Computed tomography, abdomen · Axial slice 200/242 · soft-tissue window (W 400 / L 40) · SOMATOM Force scanner · scan has 15 labeled organs (counted over the whole 3D scan, not this slice; an organ is boxed only where this slice passes through it)
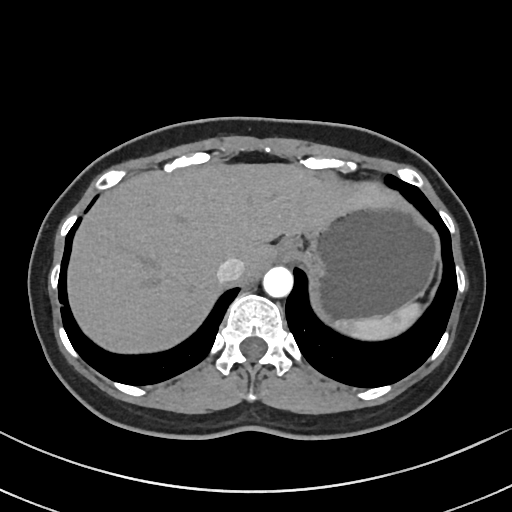

Coordinates as <box>x1,y1,x2,y2</box> in pixels.
Organ bounding boxes:
- liver: <box>66,162,393,355</box>
- aorta: <box>263,266,293,296</box>
- inferior vena cava: <box>216,257,246,282</box>
- spleen: <box>332,301,420,339</box>
- stomach: <box>280,193,439,322</box>